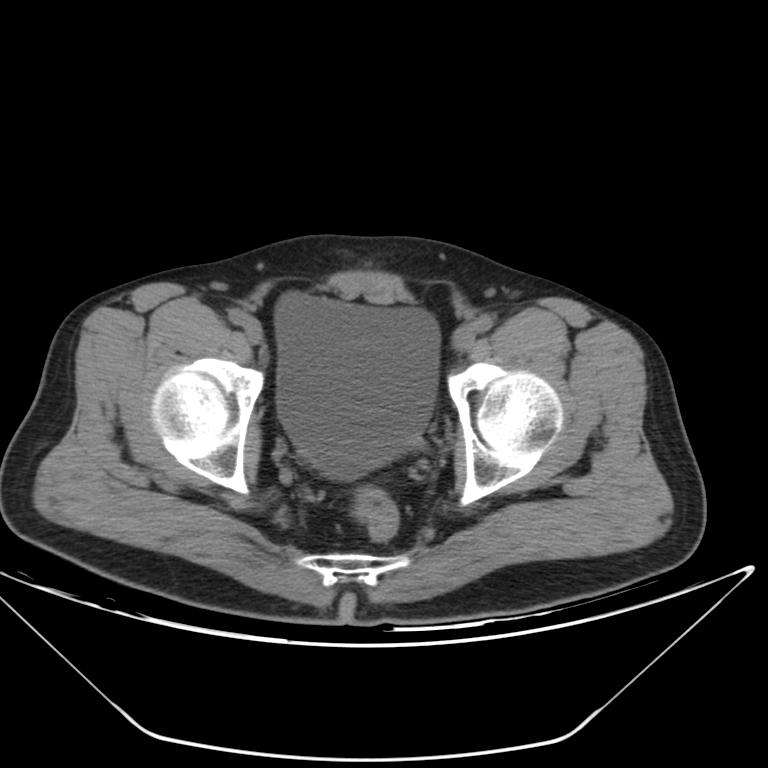

Abdominal CT — Axial slice 19/99 — abdomen soft-tissue window — acquired on Brilliance16
<organs><organ name="bladder" x1="274" y1="292" x2="440" y2="479"/></organs>